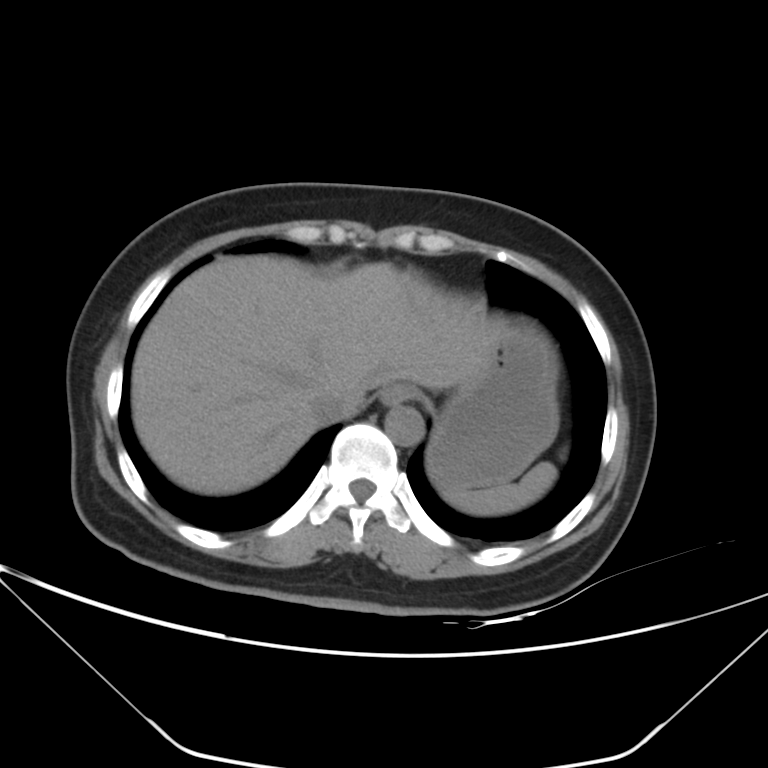
Computed tomography, abdomen; axial view; abdomen soft-tissue window; 768x768 px
One row per box, in pixels: columns x1 and y1 give the top-left corner, x2 and y2 the bottom-right.
| organ | x1 | y1 | x2 | y2 |
|---|---|---|---|---|
| inferior vena cava | 308 | 393 | 348 | 421 |
| aorta | 384 | 404 | 422 | 444 |
| esophagus | 379 | 382 | 416 | 405 |
| spleen | 442 | 461 | 556 | 515 |
| liver | 131 | 255 | 503 | 495 |
| stomach | 428 | 319 | 558 | 488 |